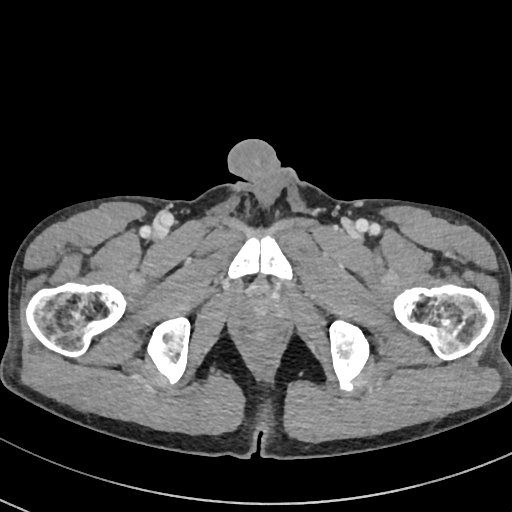
CT abdomen. axial view. scan has 15 labeled organs (a whole-scan count: organs this slice does not pass through have no box)
One row per box, in pixels: columns x1 and y1 give the top-left corner, x2 and y2 the bottom-right.
| organ | x1 | y1 | x2 | y2 |
|---|---|---|---|---|
| prostate/uterus | 244 | 297 | 280 | 323 |